CT abdomen — axial view — 512x512 px
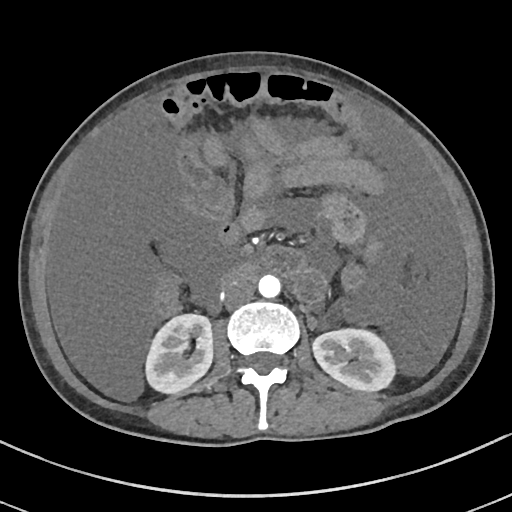 Box edges are left/top/right/bottom in pixels.
duodenum: left=221, top=262, right=259, bottom=285
left kidney: left=312, top=328, right=396, bottom=392
right kidney: left=145, top=314, right=212, bottom=394
inferior vena cava: left=225, top=282, right=253, bottom=308
aorta: left=258, top=275, right=280, bottom=298